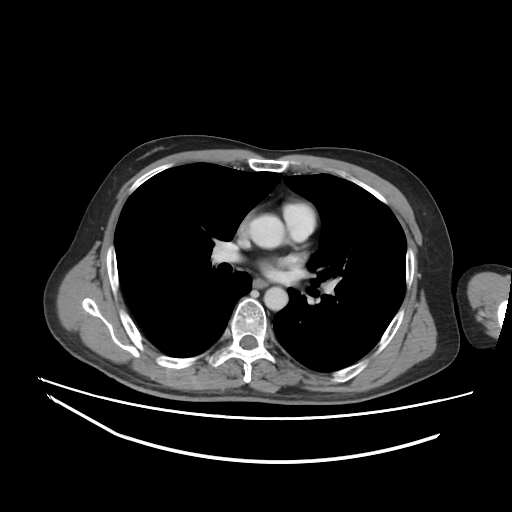 Chest-level slice from an abdominal CT that extends up into the chest — axial plane, index 98 — soft-tissue window — 54-year-old male patient — Aquilion ONE scanner
At this level of the chest this dataset labels only the esophagus and the aorta, and each is boxed only where it is labeled; the heart and lungs are never labeled.
Each box given as x1,y1,x2,y2.
Organ bounding boxes:
- esophagus: x1=253, y1=280, x2=266, y2=289
- aorta: x1=249, y1=214, x2=284, y2=248
- aorta: x1=264, y1=287, x2=288, y2=310